Lower-chest slice from an abdominal CT, just above the liver and spleen; axial view
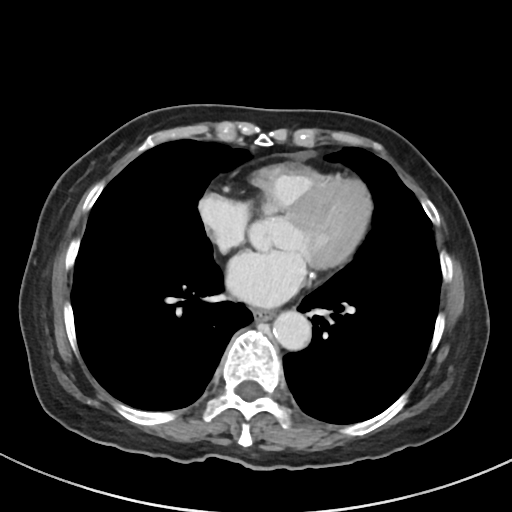 Of the structures in the chest, this dataset labels only the esophagus, the aorta and the inferior vena cava; the heart and lungs have no label.
<organs><organ name="esophagus" x1="254" y1="308" x2="273" y2="320"/><organ name="aorta" x1="272" y1="310" x2="311" y2="350"/></organs>